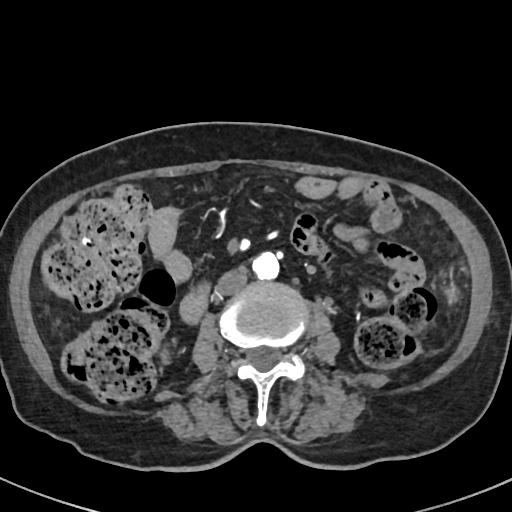
Abdominal CT; axial view; 512x512 px; scan has 15 labeled organs (that count is for the whole scan; organs this slice misses have no box)
<organs><organ name="aorta" x1="252" y1="251" x2="279" y2="279"/><organ name="inferior vena cava" x1="216" y1="268" x2="247" y2="295"/></organs>